Abdominal CT; this slice is in the lower chest, just above the liver — axial view — W/L 400/40 HU — SOMATOM Force scanner — scan has 15 labeled organs (counted over the whole 3D scan, not this slice; an organ is boxed only where this slice passes through it)
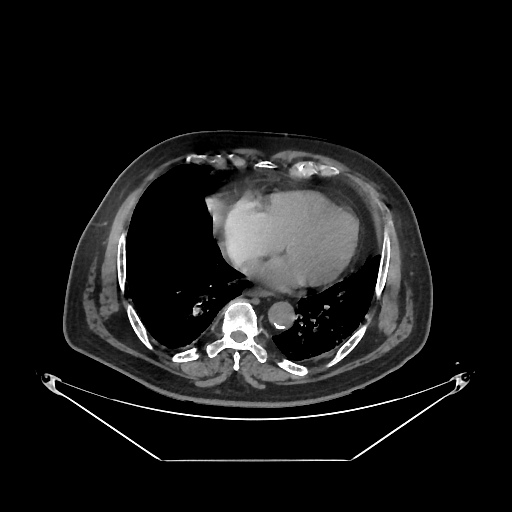
Of the structures in the chest, this dataset labels only the esophagus, the aorta and the inferior vena cava; the heart and lungs have no label.
<organs><organ name="esophagus" x1="248" y1="284" x2="272" y2="295"/><organ name="aorta" x1="268" y1="301" x2="294" y2="327"/><organ name="inferior vena cava" x1="228" y1="245" x2="260" y2="273"/></organs>